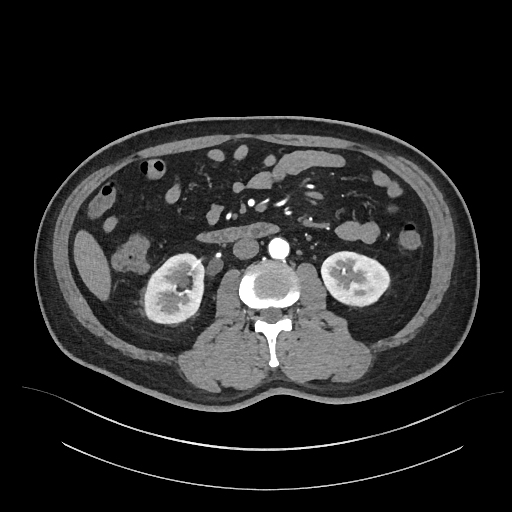

CT, abdomen/pelvis — axial view — 512x512 px
Bounding boxes as [x1, y1, x2, y2] in pixel coordinates.
right kidney: [144, 253, 203, 323]
left kidney: [321, 251, 390, 306]
liver: [73, 228, 112, 302]
aorta: [268, 238, 289, 259]
inferior vena cava: [232, 238, 259, 259]
duodenum: [196, 223, 280, 242]